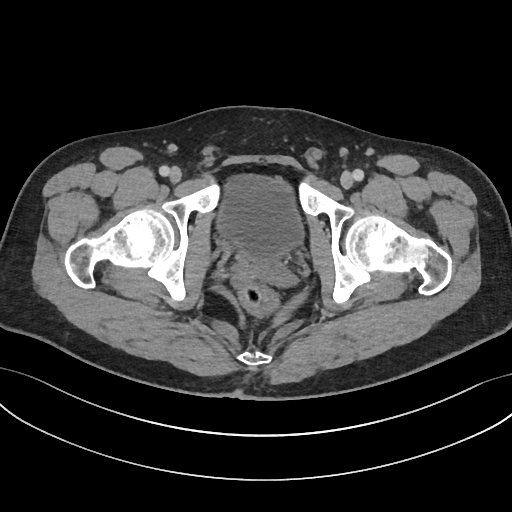 CT abdomen. Axial slice 30/345. 512x512 px. acquired on SOMATOM Force. 15 organs annotated in this scan (that count is for the whole scan; organs this slice misses have no box)
{"organs":{"bladder":[218,176,303,257],"prostate/uterus":[238,249,280,272]}}